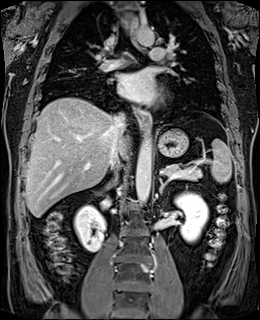
Magnetic resonance imaging, abdomen. coronal acquisition. 1st–99th percentile window
{"organs":{"inferior vena cava":[110,113,125,172],"right kidney":[74,205,105,251],"stomach":[157,129,188,157],"spleen":[211,139,231,182],"esophagus":[134,106,150,128],"left adrenal gland":[159,178,168,194],"liver":[25,97,127,217],"pancreas":[163,164,201,180],"right adrenal gland":[106,178,116,185],"left kidney":[175,192,208,242],"aorta":[[135,132,151,203],[136,24,155,45]]}}